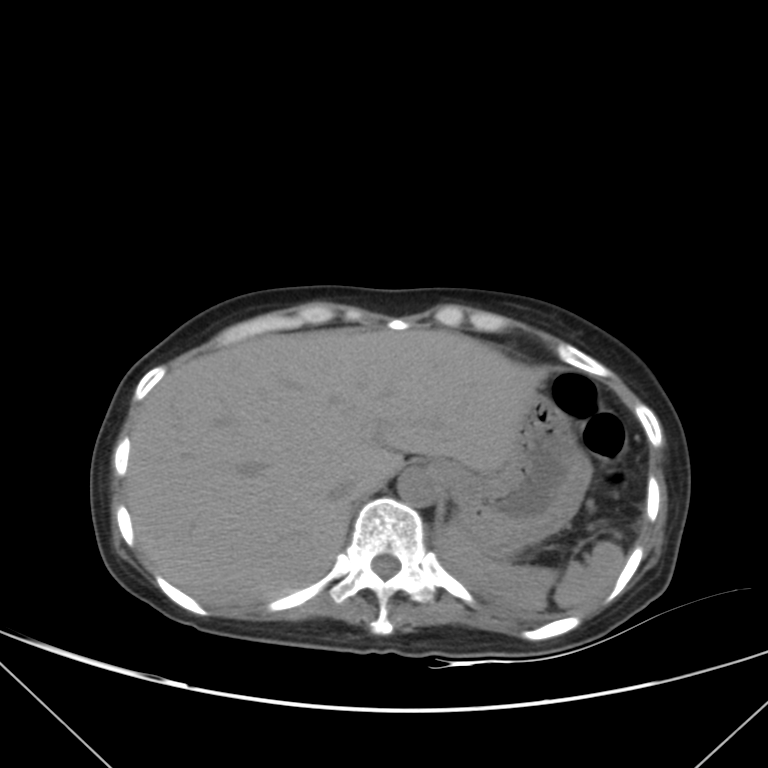 CT abdomen — Axial slice 77/94 — 39-year-old female patient — 15 organs annotated in this scan (counted over the whole 3D scan, not this slice; an organ is boxed only where this slice passes through it)
One row per box, in pixels: columns x1 and y1 give the top-left corner, x2 and y2 the bottom-right.
| organ | x1 | y1 | x2 | y2 |
|---|---|---|---|---|
| spleen | 443 | 529 | 625 | 611 |
| esophagus | 431 | 462 | 447 | 478 |
| liver | 125 | 328 | 544 | 606 |
| stomach | 445 | 396 | 591 | 557 |
| aorta | 398 | 467 | 441 | 506 |
| inferior vena cava | 330 | 479 | 353 | 500 |